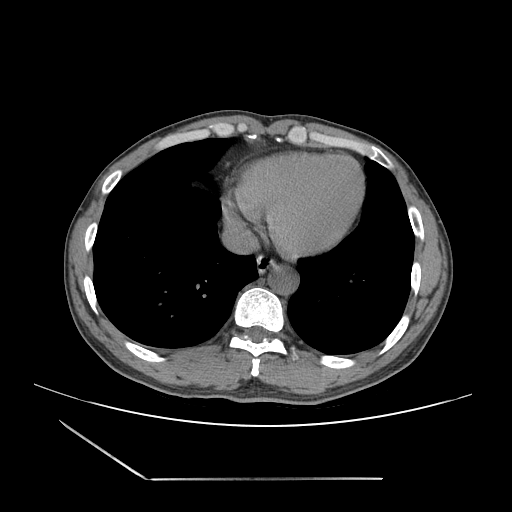
Lower-chest slice from an abdominal CT, just above the liver and spleen. axial view. soft-tissue window, W/L 400/40. 512x512 px. acquired on SOMATOM Force
No part of the heart or lungs is labeled in this dataset, so neither has a box here.
<organs><organ name="esophagus" x1="257" y1="253" x2="279" y2="272"/><organ name="aorta" x1="267" y1="265" x2="298" y2="294"/><organ name="inferior vena cava" x1="220" y1="223" x2="258" y2="253"/></organs>